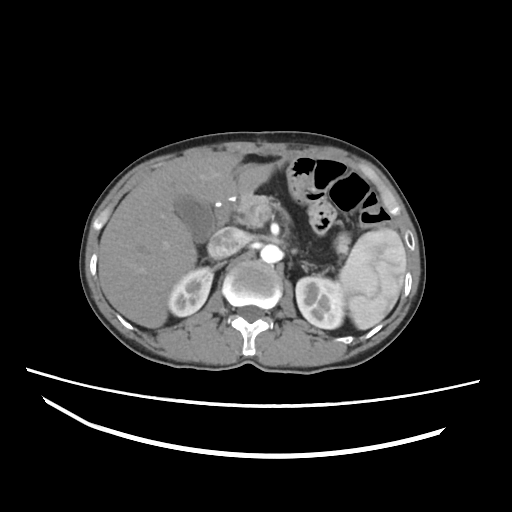
Computed tomography, abdomen; axial view; 40-year-old male patient; 15 organs annotated in this scan (counted over the whole 3D scan, not this slice; an organ is boxed only where this slice passes through it)
Each box given as x1,y1,x2,y2.
Organ bounding boxes:
- duodenum: x1=214, y1=196, x2=234, y2=227
- liver: x1=98, y1=152, x2=276, y2=328
- inferior vena cava: x1=207, y1=227, x2=245, y2=258
- spleen: x1=339, y1=228, x2=406, y2=329
- left adrenal gland: x1=304, y1=262, x2=314, y2=267
- pancreas: x1=234, y1=191, x2=349, y2=253
- aorta: x1=260, y1=244, x2=281, y2=263
- gall bladder: x1=174, y1=196, x2=214, y2=242
- left kidney: x1=295, y1=276, x2=345, y2=329
- right kidney: x1=167, y1=267, x2=213, y2=316